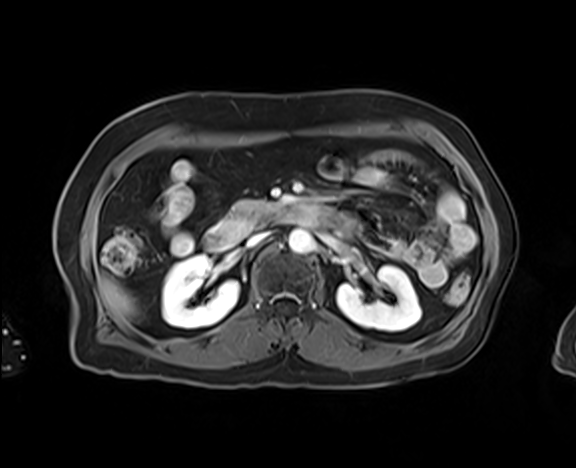 Magnetic resonance imaging, abdomen; axial view
Bounding boxes in pixels, one row per box: x1, y1 is the top-left corner and x2, y2 the bottom-right.
| organ | x1 | y1 | x2 | y2 |
|---|---|---|---|---|
| right kidney | 162 | 255 | 239 | 328 |
| left kidney | 337 | 265 | 421 | 331 |
| liver | 98 | 275 | 135 | 320 |
| aorta | 288 | 229 | 314 | 254 |
| inferior vena cava | 246 | 232 | 269 | 247 |
| pancreas | 223 | 200 | 281 | 232 |
| duodenum | 203 | 203 | 321 | 252 |